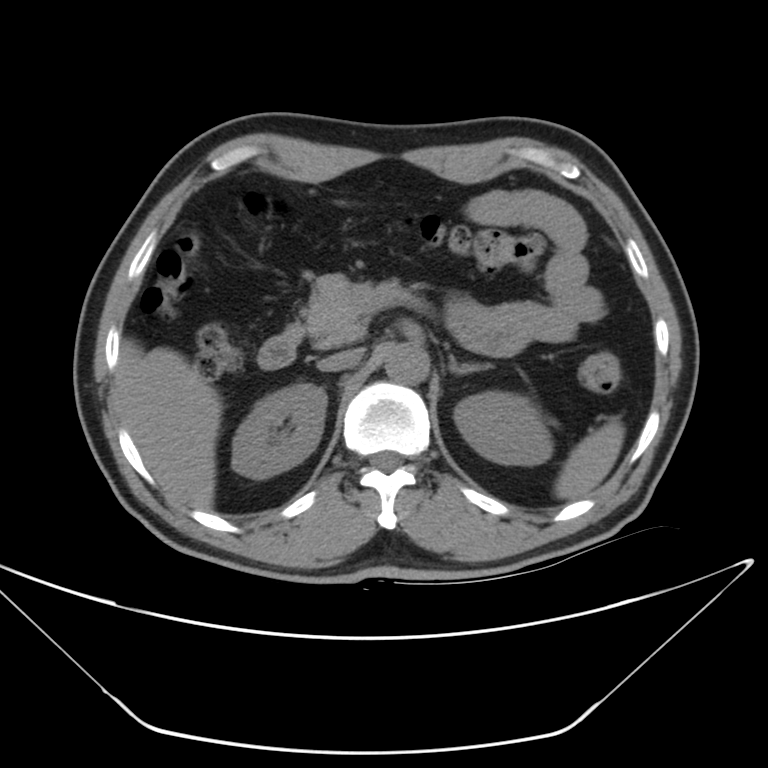 Computed tomography, abdomen. axial view. soft-tissue window
Boxes are (x1, y1, x2, y2) in pixels.
Organ bounding boxes:
- right kidney: (232, 382, 325, 478)
- duodenum: (257, 325, 306, 369)
- inferior vena cava: (318, 351, 362, 370)
- left adrenal gland: (448, 356, 491, 373)
- pancreas: (301, 274, 381, 347)
- left kidney: (454, 391, 552, 464)
- liver: (116, 342, 223, 509)
- spleen: (554, 416, 624, 501)
- aorta: (386, 345, 430, 384)